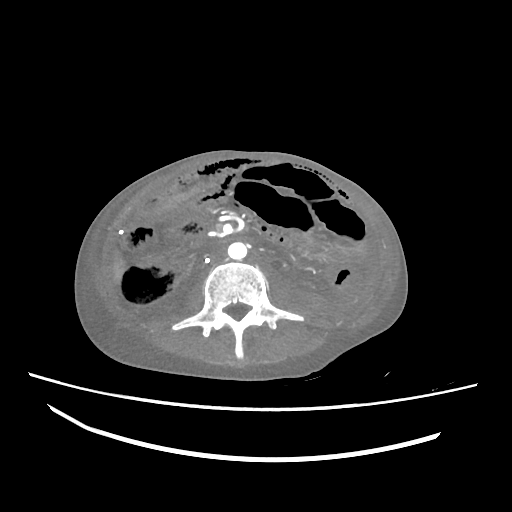 CT abdomen · Axial slice 53/123 · W/L 400/40 HU · 15 organs annotated in this scan (a whole-scan count: organs this slice does not pass through have no box)
Boxes: x1:y1:x2:y2 in pixels.
liver: 113:255:125:283
aorta: 228:242:247:259
inferior vena cava: 210:247:224:260